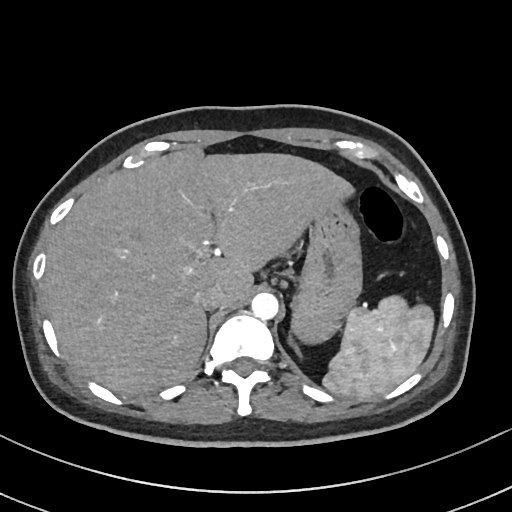 Computed tomography, abdomen · Axial slice 162/191 · W/L 400/40 HU
Bounding boxes as [x1, y1, x2, y2] in pixel coordinates.
Organ bounding boxes:
- spleen: [323, 294, 432, 399]
- liver: [43, 152, 352, 395]
- stomach: [289, 201, 361, 345]
- aorta: [251, 293, 278, 320]
- inferior vena cava: [194, 285, 223, 310]